CT of the abdomen extending into the chest, slice through the chest; axial plane, index 107; soft-tissue window (W 400 / L 40); 512x512 px; 46-year-old male patient
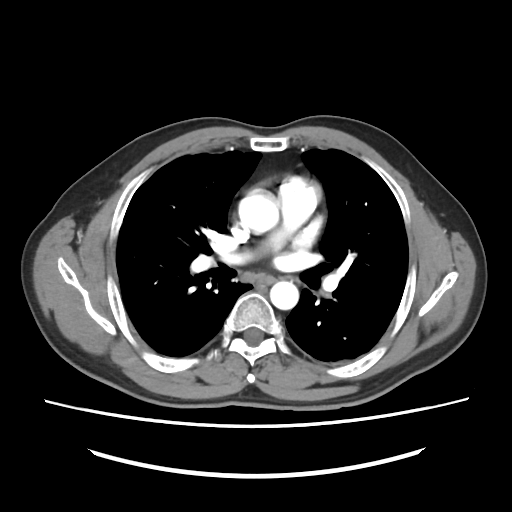

At this level of the chest this dataset labels only the esophagus and the aorta, and each is boxed only where it is labeled; the heart and lungs are never labeled.
{"organs":{"esophagus":[256,275,274,283],"aorta":[[238,189,278,234],[270,281,298,309]]}}